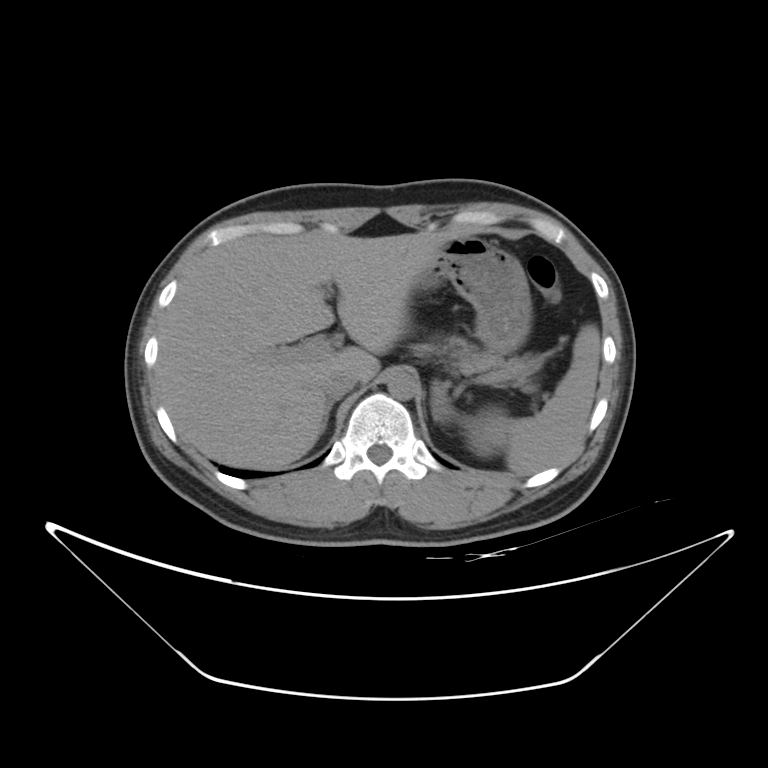
Computed tomography, abdomen; axial view; W/L 400/40 HU; 25-year-old male patient; scan has 15 labeled organs (counted over the whole 3D scan, not this slice; an organ is boxed only where this slice passes through it)
{"organs":{"spleen":[432,324,600,474],"left kidney":[466,409,504,457],"liver":[156,227,466,469],"stomach":[417,236,532,353],"aorta":[387,368,417,399],"inferior vena cava":[323,367,359,398],"pancreas":[444,338,542,381],"right adrenal gland":[324,400,335,428]}}